Magnetic resonance imaging, abdomen — coronal plane, index 68 — Prisma scanner
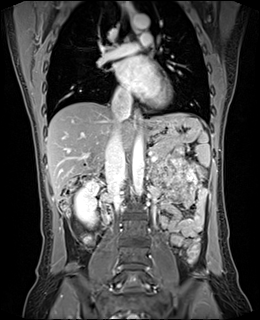

Coordinates as <box>x1,y1,x2,y2</box> in pixels.
spleen: <box>195,131,210,166</box>
right kidney: <box>74,181,98,226</box>
stomach: <box>146,116,201,143</box>
inferior vena cava: <box>105,93,131,208</box>
esophagus: <box>134,110,145,128</box>
esophagus: <box>128,1,133,14</box>
aorta: <box>132,135,144,195</box>
aorta: <box>131,15,149,28</box>
liver: <box>46,102,188,198</box>
pancreas: <box>151,141,181,160</box>